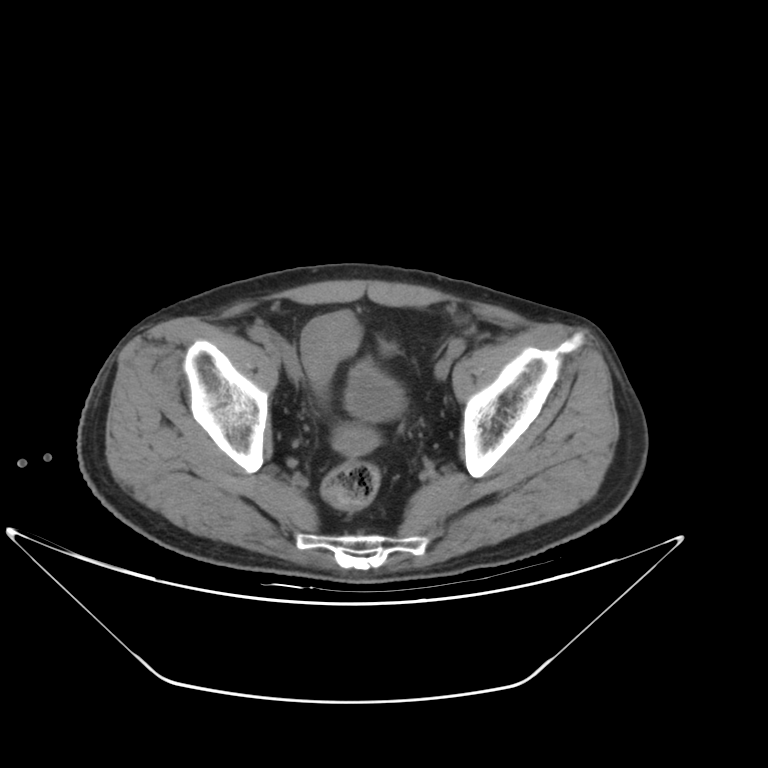

Abdominal CT; axial plane, index 23
Bounding boxes as [x1, y1, x2, y2] in pixel coordinates.
Organ bounding boxes:
- bladder: [345, 361, 406, 421]